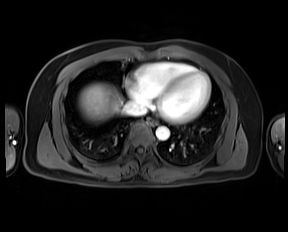
MRI, abdomen — axial view — 1st–99th percentile window
<organs><organ name="esophagus" x1="148" y1="118" x2="157" y2="125"/><organ name="liver" x1="78" y1="83" x2="123" y2="121"/><organ name="aorta" x1="156" y1="126" x2="169" y2="140"/><organ name="inferior vena cava" x1="123" y1="101" x2="146" y2="115"/></organs>